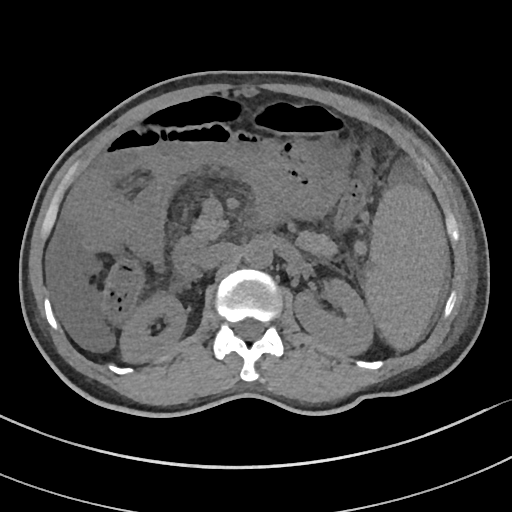
Computed tomography, abdomen · Axial slice 131/206
One row per box, in pixels: columns x1 and y1 give the top-left corner, x2 and y2 the bottom-right.
| organ | x1 | y1 | x2 | y2 |
|---|---|---|---|---|
| spleen | 365 | 184 | 447 | 349 |
| right kidney | 121 | 295 | 185 | 362 |
| left kidney | 295 | 277 | 373 | 353 |
| aorta | 244 | 241 | 272 | 267 |
| inferior vena cava | 200 | 242 | 236 | 269 |
| pancreas | 192 | 215 | 226 | 247 |
| duodenum | 174 | 236 | 203 | 285 |